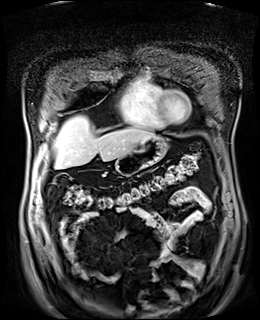
Abdominal MR · Coronal slice 117/144 · 260x320 px · acquired on Prisma
Each box given as x1,y1,x2,y2.
liver: x1=54, y1=115, x2=155, y2=168
stomach: x1=115, y1=136, x2=167, y2=175